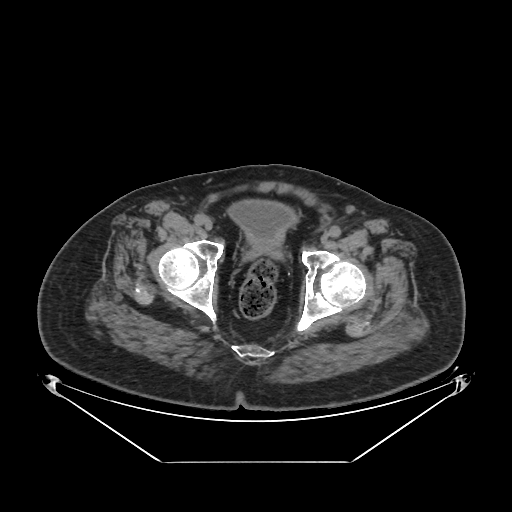

CT, abdomen/pelvis · axial view · W/L 400/40 HU
{"organs":{"bladder":[229,201,293,241],"prostate/uterus":[250,240,278,252]}}